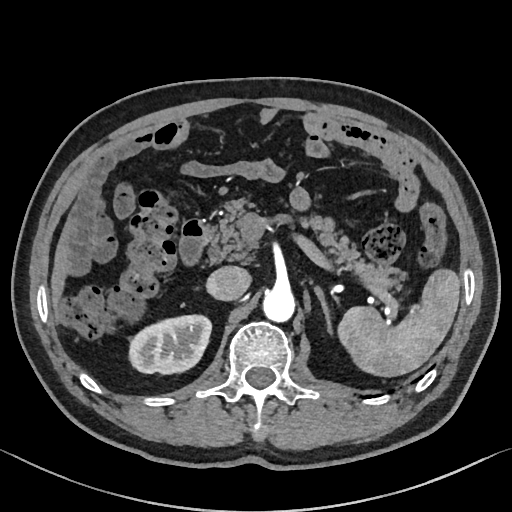

Abdominal CT. axial view. acquired on SOMATOM Force. scan has 15 labeled organs (a whole-scan count: organs this slice does not pass through have no box)
Bounding boxes in pixels, one row per box: x1, y1 is the top-left corner and x2, y2 the bottom-right.
| organ | x1 | y1 | x2 | y2 |
|---|---|---|---|---|
| right kidney | 129 | 315 | 211 | 374 |
| liver | 50 | 223 | 68 | 307 |
| duodenum | 179 | 219 | 211 | 265 |
| left adrenal gland | 314 | 286 | 332 | 333 |
| pancreas | 208 | 199 | 404 | 293 |
| spleen | 338 | 268 | 460 | 376 |
| aorta | 262 | 287 | 294 | 322 |
| inferior vena cava | 207 | 266 | 250 | 300 |